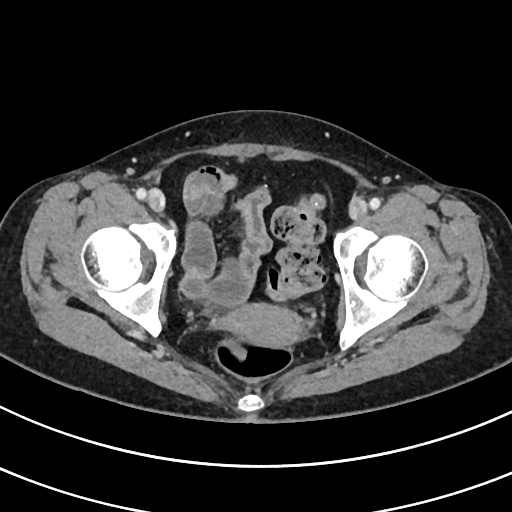
CT abdomen. Axial slice 23/192. soft-tissue window (W 400 / L 40). SOMATOM Force scanner
Coordinates as <box>x1,y1,x2,y2</box> in pixels.
Organ bounding boxes:
- prostate/uterus: <box>224,305,303,348</box>